Abdominal CT. axial view
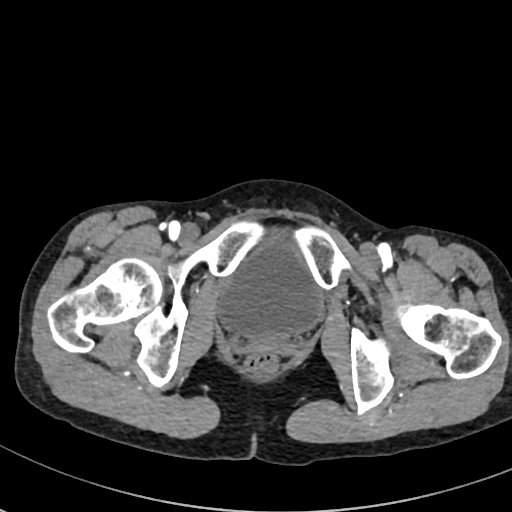
Boxes: x1 y1 x2 y2 (pixel coords, space-separated). Labeled organs on this slice: bladder at 218 233 322 334.